Lower-chest slice from an abdominal CT, just above the liver and spleen. axial view
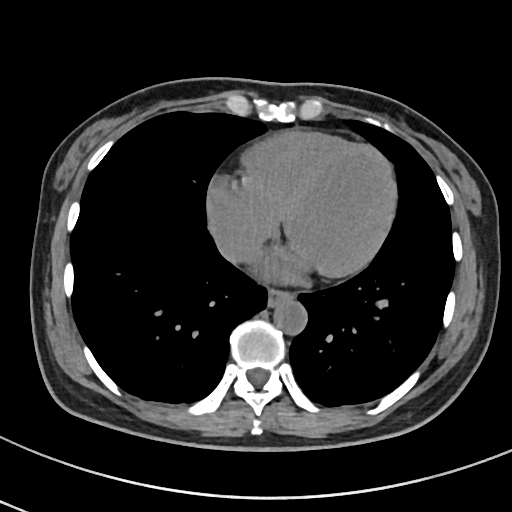 Of the structures in the chest, this dataset labels only the esophagus, the aorta and the inferior vena cava; the heart and lungs have no label.
<organs><organ name="inferior vena cava" x1="217" y1="236" x2="258" y2="262"/><organ name="aorta" x1="273" y1="299" x2="307" y2="334"/><organ name="esophagus" x1="268" y1="288" x2="293" y2="306"/></organs>